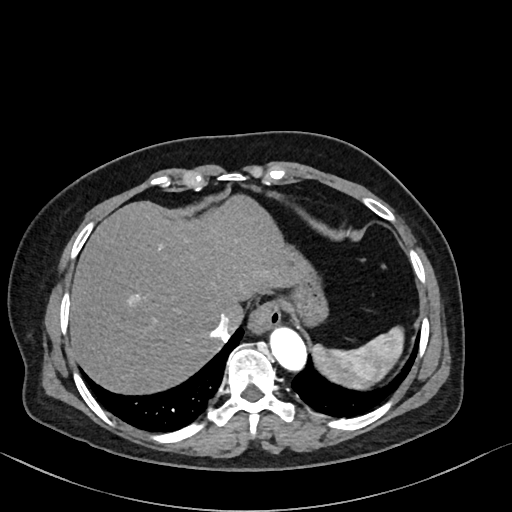

Abdominal CT — axial view — scan has 15 labeled organs (a whole-scan count: organs this slice does not pass through have no box)
Boxes: x1:y1:x2:y2 in pixels. Labeled organs on this slice: spleen at 312:326:404:389, esophagus at 249:302:280:333, liver at 70:194:305:394, stomach at 293:261:328:326, aorta at 270:327:306:370, inferior vena cava at 211:313:236:340.